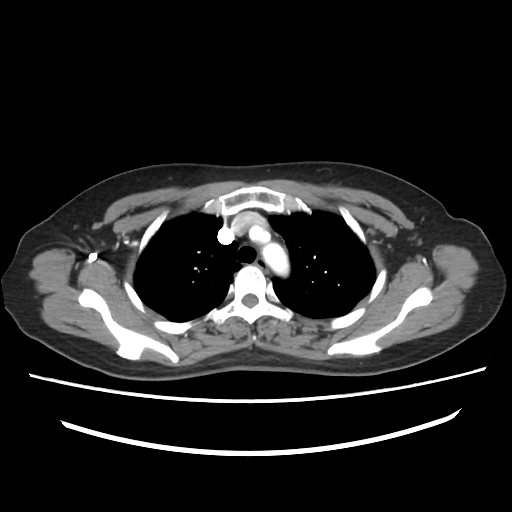

CT of the abdomen extending into the chest, slice through the chest; Axial slice 113/123; soft-tissue window, W/L 400/40; scan has 15 labeled organs (counted over the whole 3D scan, not this slice; an organ is boxed only where this slice passes through it)
At this level of the chest no structure but the esophagus and the aorta has a label in this dataset, and those two are boxed only where they are labeled.
Bounding boxes in pixels, one row per box: x1, y1 is the top-left corner and x2, y2 the bottom-right.
| organ | x1 | y1 | x2 | y2 |
|---|---|---|---|---|
| esophagus | 255 | 260 | 269 | 273 |
| aorta | 252 | 227 | 289 | 276 |